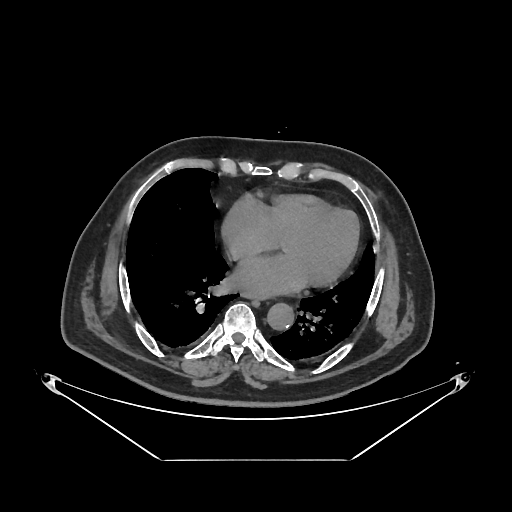

CT of the abdomen reaching into the lower chest, slice just above the liver and spleen · axial view · 512x512 px
No part of the heart or lungs is labeled in this dataset, so neither has a box here.
<organs><organ name="esophagus" x1="242" y1="294" x2="268" y2="298"/><organ name="aorta" x1="267" y1="303" x2="294" y2="330"/></organs>